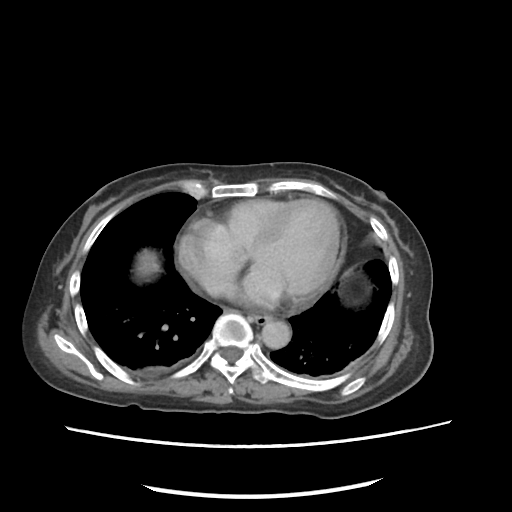 CT abdomen — Axial slice 89/90 — 512x512 px — acquired on Aquilion ONE
{"organs":{"liver":[136,250,159,276],"esophagus":[253,315,271,324],"aorta":[261,321,290,349]}}